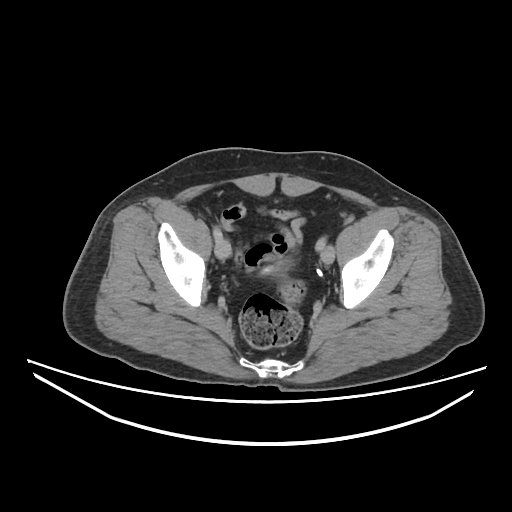

Computed tomography, abdomen. axial view. soft-tissue window (W 400 / L 40). acquired on Aquilion ONE. scan has 15 labeled organs (counted over the whole 3D scan, not this slice; an organ is boxed only where this slice passes through it)
{"organs":{"bladder":[259,260,291,273]}}